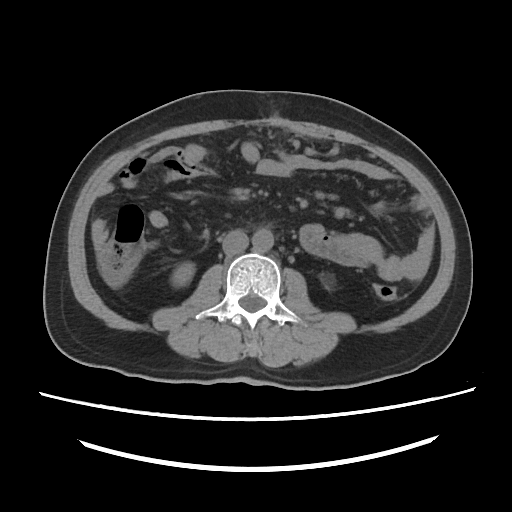 Computed tomography, abdomen. axial view. soft-tissue window (W 400 / L 40). scan has 14 labeled organs (counted over the whole 3D scan, not this slice; an organ is boxed only where this slice passes through it)
Boxes: x1 y1 x2 y2 (pixel coords, space-separated).
right kidney: 170 262 194 288
left kidney: 323 276 332 286
aorta: 252 229 273 252
inferior vena cava: 222 230 248 255